CT abdomen — axial plane, index 122 — soft-tissue window (W 400 / L 40) — 512x512 px — scan has 15 labeled organs (counted over the whole 3D scan, not this slice; an organ is boxed only where this slice passes through it)
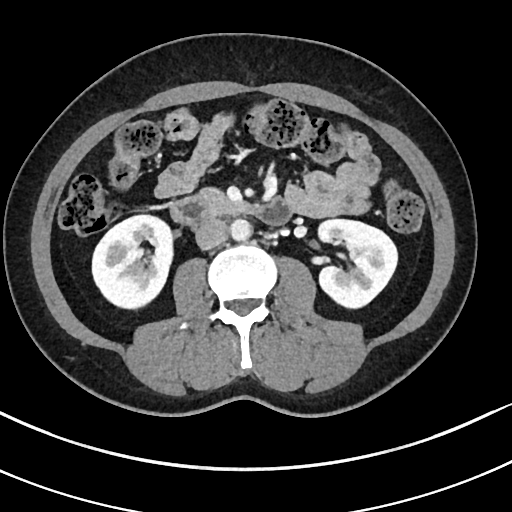

Each box given as x1,y1,x2,y2. Labeled organs on this slice: right kidney at x1=92, y1=214, x2=174, y2=309, left kidney at x1=316, y1=219, x2=396, y2=310, aorta at x1=230, y1=218, x2=251, y2=241, inferior vena cava at x1=196, y1=218, x2=228, y2=249, pancreas at x1=200, y1=189, x2=231, y2=211, duodenum at x1=171, y1=196, x2=290, y2=225.